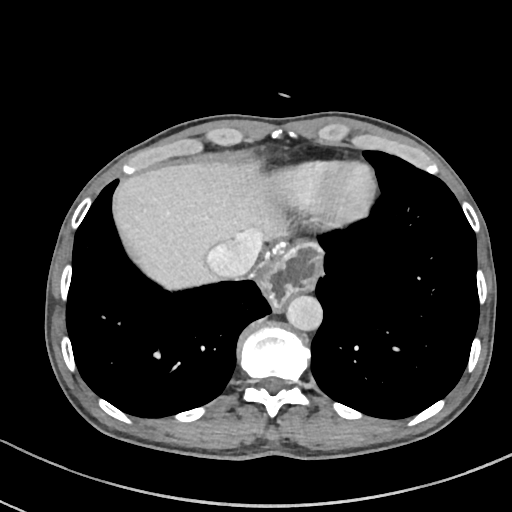

Computed tomography, abdomen; axial view; soft-tissue window (W 400 / L 40); 512x512 px; SOMATOM Force scanner
Coordinates as <box>x1,y1,x2,y2</box> in pixels. 5 labeled organs on this slice — liver at <box>113,163,286,289</box>; esophagus at <box>267,238,325,309</box>; aorta at <box>286,295,322,330</box>; stomach at <box>279,246,292,261</box>; inferior vena cava at <box>207,236,261,277</box>.